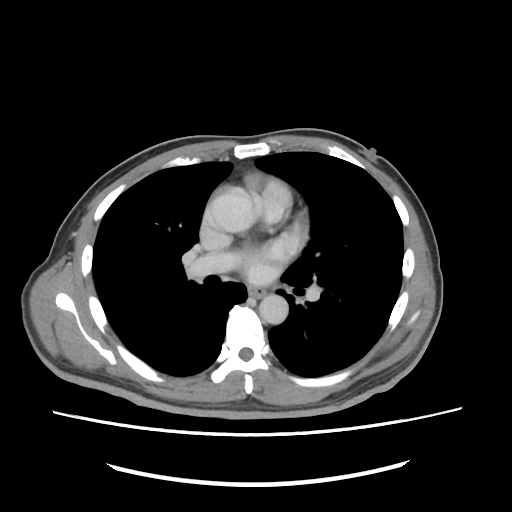

Chest-level slice from an abdominal CT that extends up into the chest; axial view
At this level of the chest this dataset labels only the esophagus and the aorta, and each is boxed only where it is labeled; the heart and lungs are never labeled.
Each box given as x1,y1,x2,y2.
esophagus: x1=248, y1=287, x2=265, y2=298
aorta: x1=212, y1=192, x2=255, y2=232
aorta: x1=259, y1=294, x2=288, y2=324